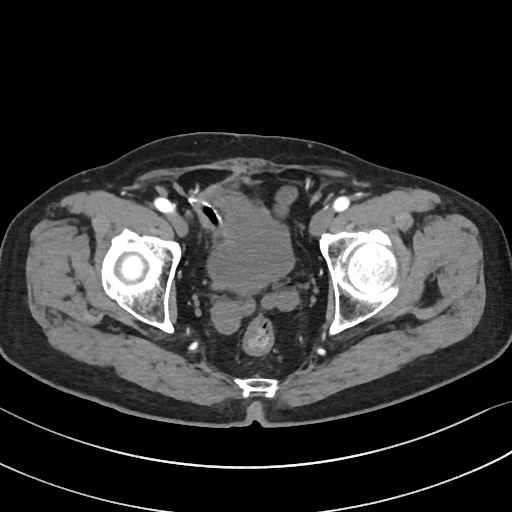
Abdominal CT; Axial slice 42/306; 512x512 px; acquired on SOMATOM Force
Boxes are (x1, y1, x2, y2) in pixels.
Organ bounding boxes:
- bladder: (207, 203, 294, 293)